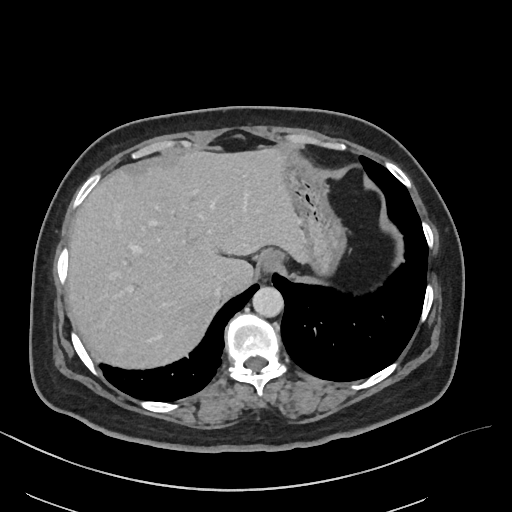
CT abdomen — axial view — abdomen soft-tissue window — 15 organs annotated in this scan (counted over the whole 3D scan, not this slice; an organ is boxed only where this slice passes through it)
Each box given as x1,y1,x2,y2. 5 labeled organs on this slice — esophagus at x1=258, y1=250, x2=283, y2=272; liver at x1=67, y1=148, x2=308, y2=368; stomach at x1=283, y1=154, x2=346, y2=274; aorta at x1=252, y1=287, x2=283, y2=317; inferior vena cava at x1=213, y1=283, x2=225, y2=297.